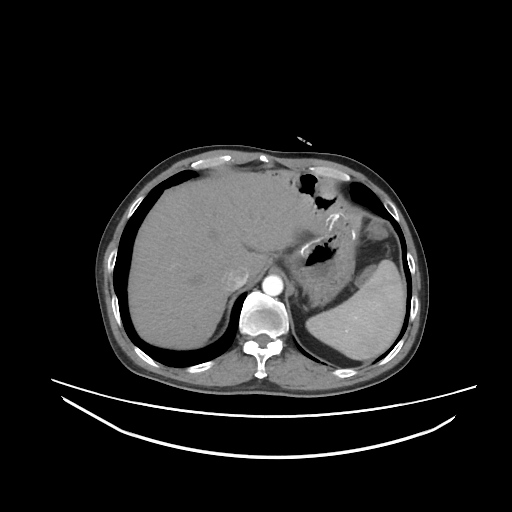
Abdominal CT · axial plane, index 81 · soft-tissue window · 52-year-old male patient
{"organs":{"stomach":[284,212,357,306],"inferior vena cava":[223,266,247,289],"liver":[128,171,316,349],"aorta":[262,275,283,295],"spleen":[306,260,405,359]}}